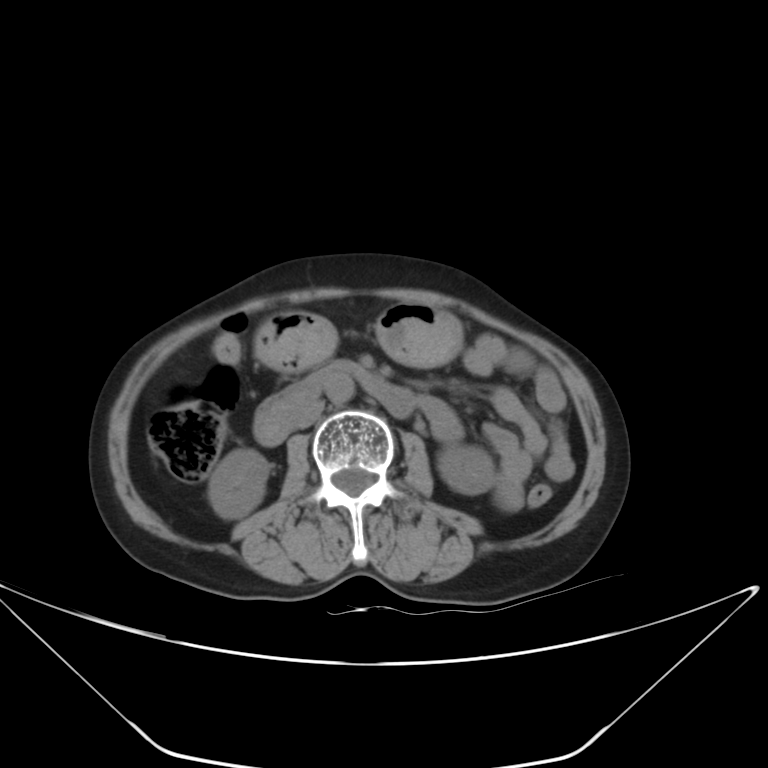 Abdominal CT; axial plane, index 51; W/L 400/40 HU; 768x768 px; 15 organs annotated in this scan (a whole-scan count: organs this slice does not pass through have no box)
Organ boxes in pixel coordinates; each row gives the top-left (x1, y1) and bottom-right (x2, y2) corners.
| organ | x1 | y1 | x2 | y2 |
|---|---|---|---|---|
| right kidney | 208 | 449 | 269 | 518 |
| left kidney | 437 | 444 | 496 | 494 |
| stomach | 254 | 302 | 461 | 371 |
| aorta | 325 | 375 | 355 | 403 |
| inferior vena cava | 296 | 401 | 324 | 429 |
| duodenum | 254 | 360 | 416 | 445 |